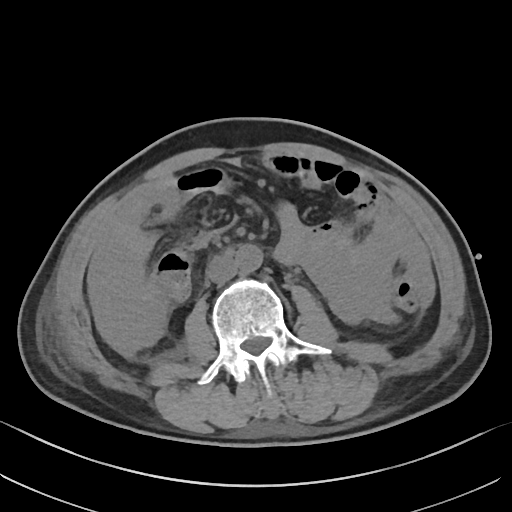
Abdominal CT — axial view — SOMATOM Force scanner
Boxes: x1 y1 x2 y2 (pixel coords, space-separated).
aorta: 235 244 262 272
inferior vena cava: 206 255 237 283